Abdominal CT reaching into the chest; this slice is in the chest; Axial slice 105/132; soft-tissue window, W/L 400/40; scan has 15 labeled organs (a whole-scan count: organs this slice does not pass through have no box)
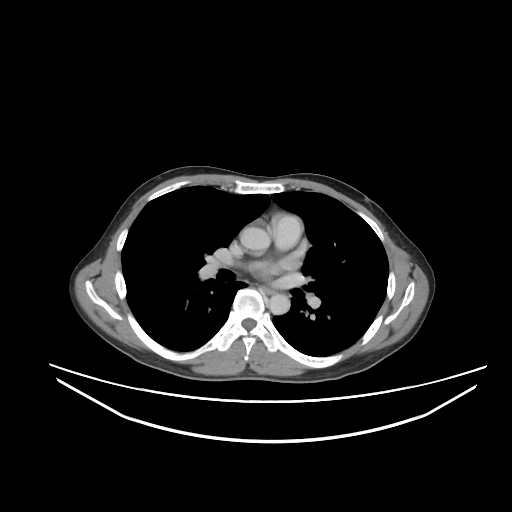 On a slice this high in the chest, this dataset labels only the esophagus and the aorta, and each is boxed only where it is labeled; the heart, lungs and other chest structures are not labeled.
Box edges are left/top/right/bottom in pixels.
esophagus: left=262, top=287, right=273, bottom=294
aorta: left=240, top=227, right=270, bottom=252
aorta: left=269, top=293, right=290, bottom=314